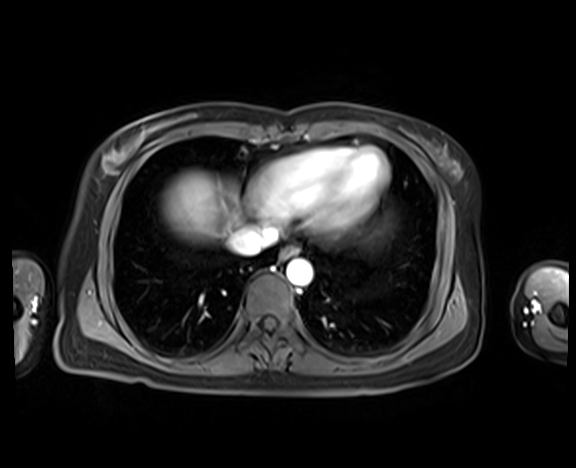

MRI, abdomen; axial plane, index 66; percentile-normalized
<organs><organ name="esophagus" x1="281" y1="245" x2="299" y2="259"/><organ name="liver" x1="164" y1="172" x2="241" y2="240"/><organ name="aorta" x1="286" y1="259" x2="312" y2="285"/><organ name="inferior vena cava" x1="229" y1="225" x2="278" y2="255"/></organs>